Computed tomography, abdomen · axial view · acquired on SOMATOM Force · scan has 15 labeled organs (a whole-scan count: organs this slice does not pass through have no box)
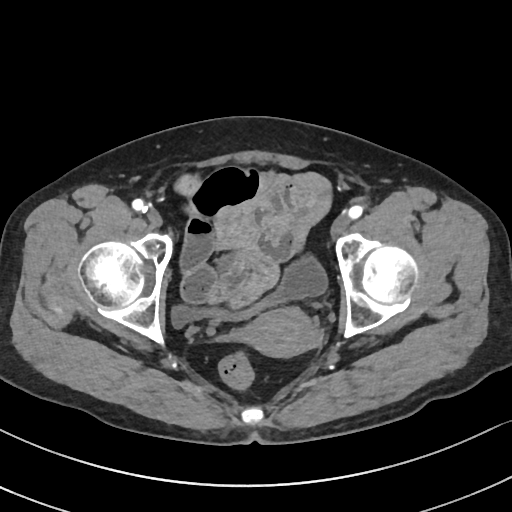
Boxes: x1:y1:x2:y2 in pixels. The annotated organs in this slice are: bladder at 172:259:326:328, prostate/uterus at 243:308:317:357.